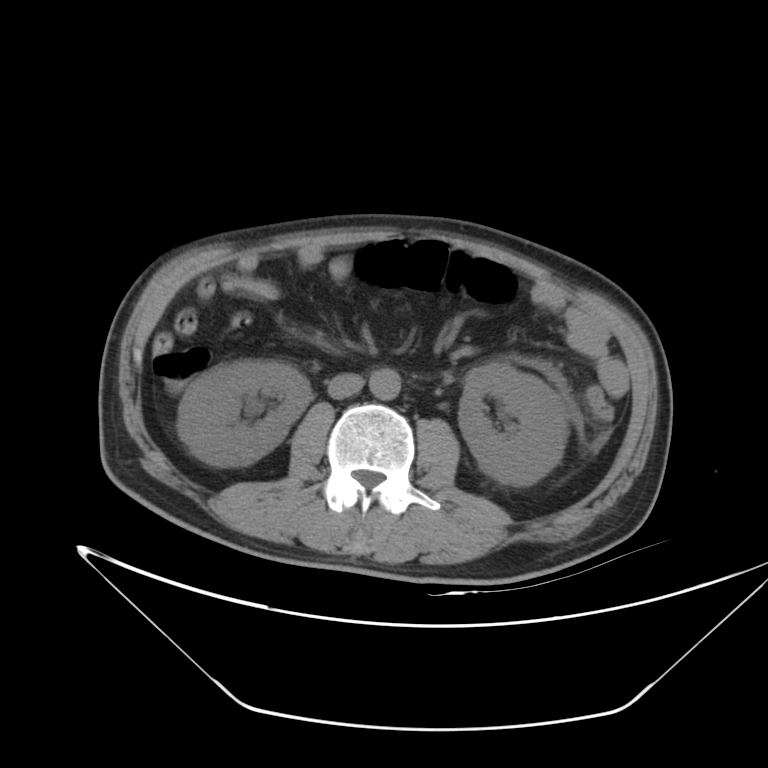
CT abdomen; axial view; 768x768 px; Brilliance16 scanner
{"organs":{"right kidney":[177,359,310,467],"left kidney":[458,363,567,486],"aorta":[370,367,401,400],"inferior vena cava":[327,373,364,398]}}